Abdominal CT. axial view. scan has 15 labeled organs (a whole-scan count: organs this slice does not pass through have no box)
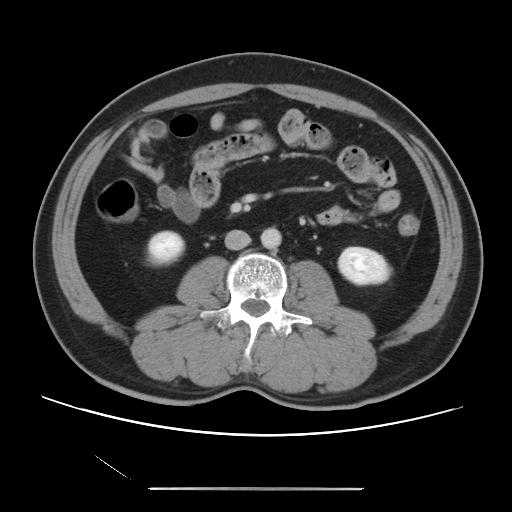 {"organs":{"inferior vena cava":[225,230,250,250],"right kidney":[148,231,183,264],"aorta":[260,228,281,248],"left kidney":[338,247,390,284]}}